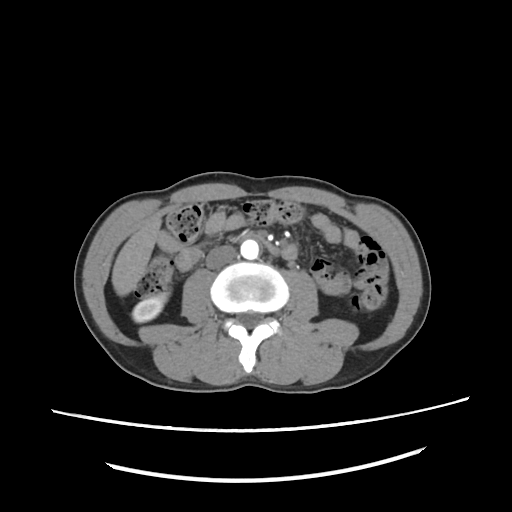

Abdominal CT — axial plane, index 56 — 55-year-old male patient
Boxes: x1 y1 x2 y2 (pixel coords, space-separated).
right kidney: 132 292 167 322
liver: 111 212 160 295
aorta: 241 240 259 260
inferior vena cava: 205 244 236 268
duodenum: 264 240 282 256